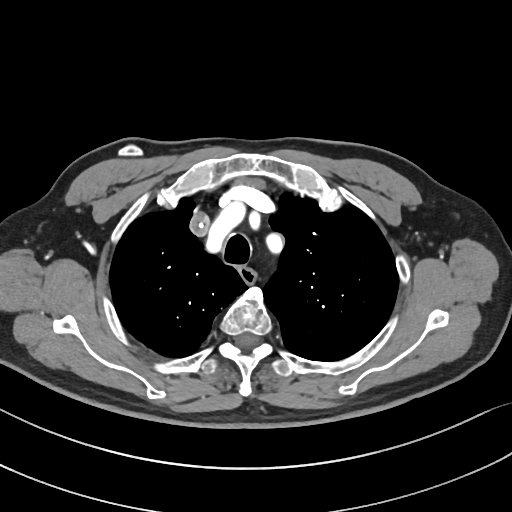

Chest-level slice from an abdominal CT that extends up into the chest; axial view
At this level of the chest no structure but the esophagus and the aorta has a label in this dataset, and those two are boxed only where they are labeled.
<organs><organ name="esophagus" x1="240" y1="267" x2="255" y2="283"/></organs>